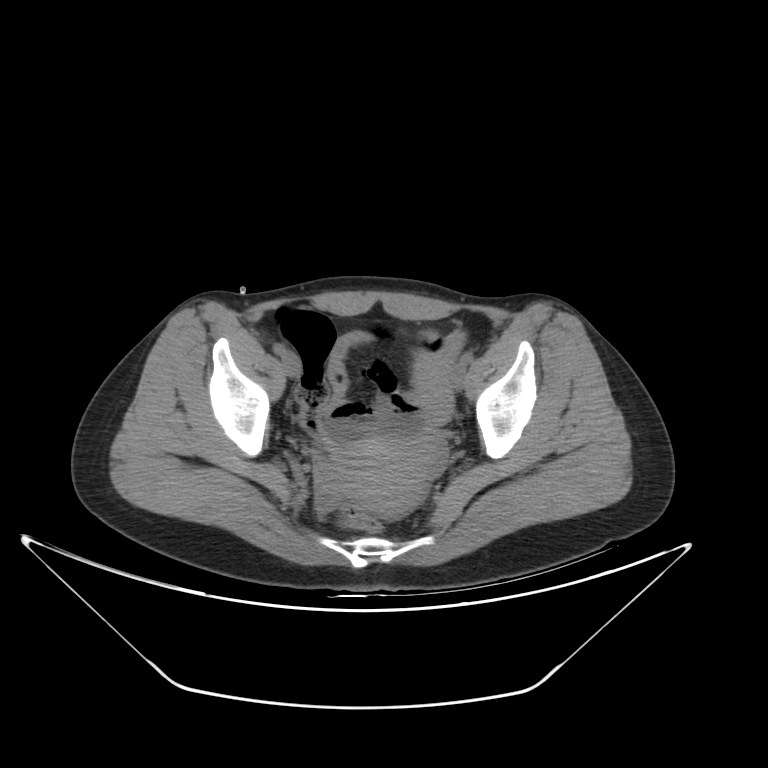
Computed tomography, abdomen — axial view — abdomen soft-tissue window
Bounding boxes as [x1, y1, x2, y2] in pixel coordinates.
Organ bounding boxes:
- prostate/uterus: [329, 438, 427, 516]